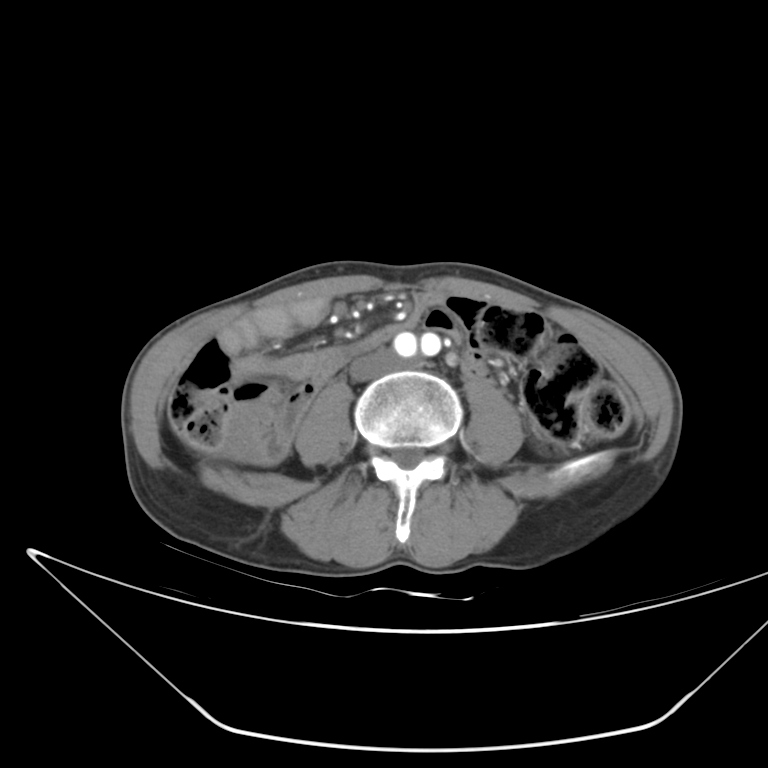
Abdominal CT — axial plane, index 17 — soft-tissue window (W 400 / L 40) — 768x768 px — 62-year-old male patient — 13 organs annotated in this scan (counted over the whole 3D scan, not this slice; an organ is boxed only where this slice passes through it)
{"organs":{"inferior vena cava":[349,350,397,380]}}